CT of the abdomen extending into the chest, slice through the chest · Axial slice 120/124 · soft-tissue window, W/L 400/40 · 58-year-old male patient
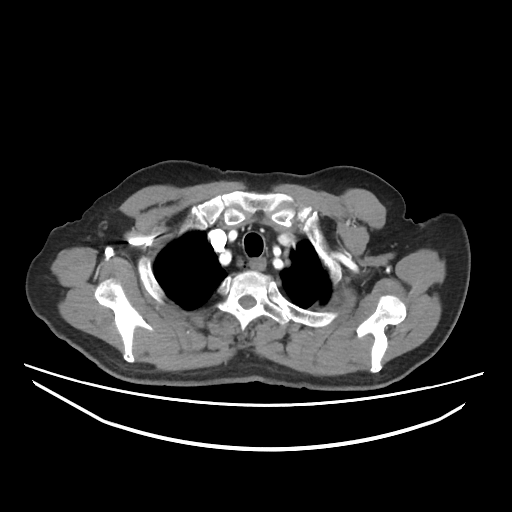 At this level of the chest no structure but the esophagus and the aorta has a label in this dataset, and those two are boxed only where they are labeled.
{"organs":{"esophagus":[251,256,265,271]}}